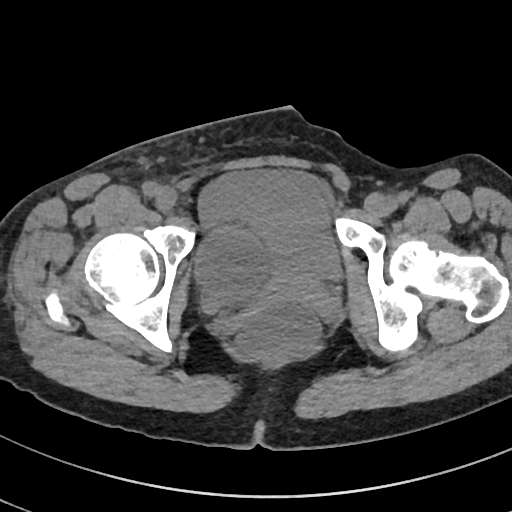 Computed tomography, abdomen. axial plane, index 20. 15 organs annotated in this scan (a whole-scan count: organs this slice does not pass through have no box)
{"organs":{"prostate/uterus":[259,273,334,315],"bladder":[196,171,340,280]}}